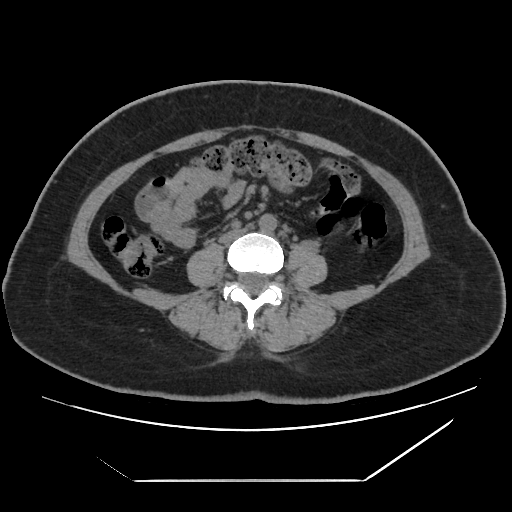 Abdominal CT. Axial slice 158/345. 512x512 px. 15 organs annotated in this scan (that count is for the whole scan; organs this slice misses have no box)
<organs><organ name="aorta" x1="259" y1="214" x2="277" y2="233"/><organ name="inferior vena cava" x1="219" y1="226" x2="251" y2="243"/></organs>